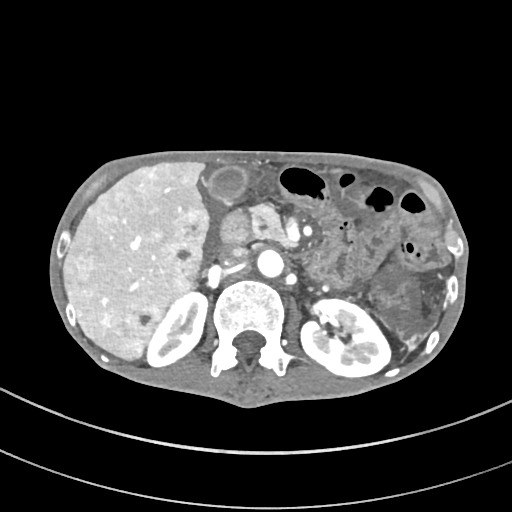 Abdominal CT · axial plane, index 139 · soft-tissue window (W 400 / L 40) · 15 organs annotated in this scan (that count is for the whole scan; organs this slice misses have no box)
Box edges are left/top/right/bottom in pixels. Labeled organs on this slice: right kidney at left=147, top=292, right=207, bottom=366, left kidney at left=301, top=299, right=390, bottom=376, gall bladder at left=207, top=167, right=247, bottom=202, liver at left=64, top=161, right=209, bottom=359, aorta at left=257, top=249, right=283, bottom=277, inferior vena cava at left=222, top=247, right=248, bottom=265, pancreas at left=251, top=204, right=293, bottom=247, duodenum at left=221, top=211, right=250, bottom=242.